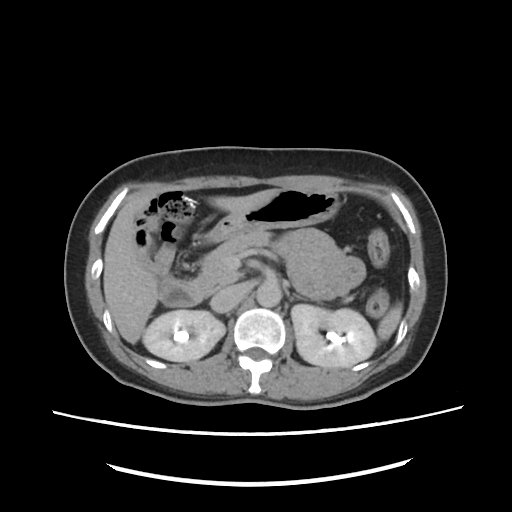
CT abdomen; Axial slice 63/85; 512x512 px
Boxes: x1 y1 x2 y2 (pixel coords, space-separated).
Organ bounding boxes:
- spleen: 377 303 403 340
- right kidney: 143 309 225 362
- left kidney: 291 303 374 368
- liver: 103 188 277 343
- stomach: 207 184 340 241
- aorta: 257 280 281 306
- inferior vena cava: 211 286 242 312
- pancreas: 192 232 271 296
- left adrenal gland: 283 283 302 299
- duodenum: 161 280 201 304